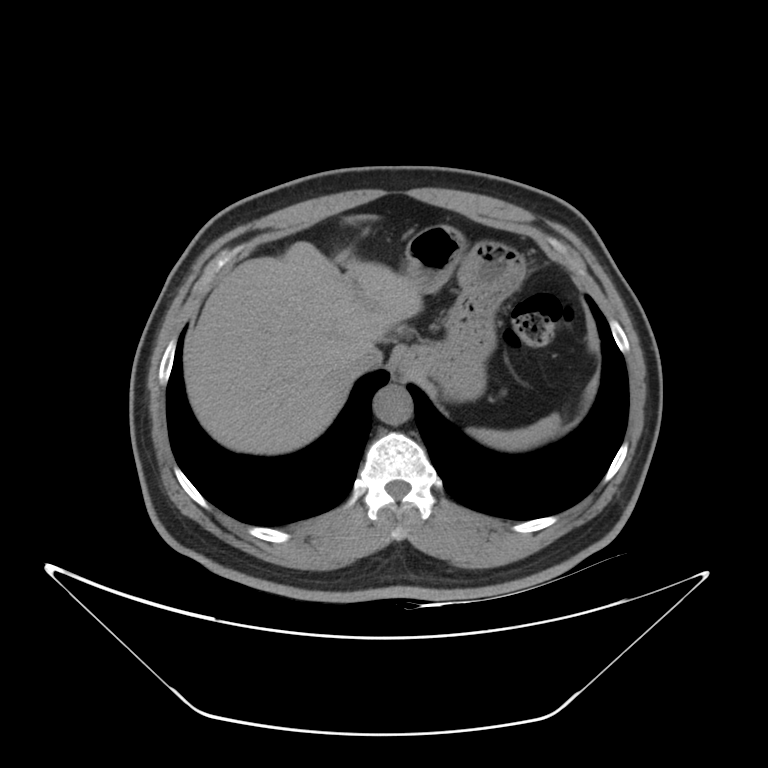 CT, abdomen/pelvis; Axial slice 76/82
Boxes: x1:y1:x2:y2 in pixels.
spleen: 470:413:563:450
inferior vena cava: 349:344:382:374
aorta: 373:385:413:425
esophagus: 395:360:412:377
liver: 183:241:423:454
stomach: 396:224:526:402